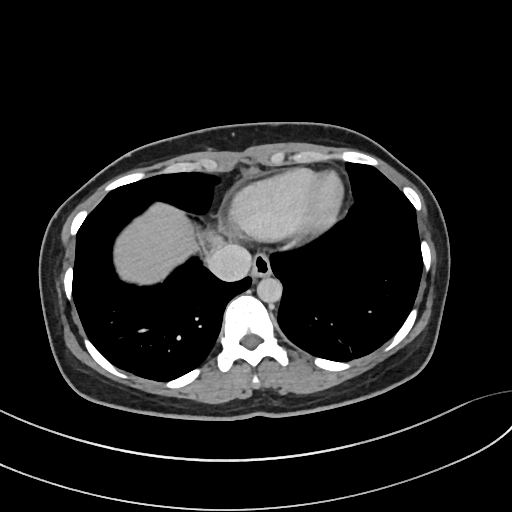

Abdominal CT — axial view — 512x512 px — scan has 15 labeled organs (a whole-scan count: organs this slice does not pass through have no box)
Bounding boxes in pixels, one row per box: x1, y1 is the top-left corner and x2, y2 the bottom-right.
| organ | x1 | y1 | x2 | y2 |
|---|---|---|---|---|
| inferior vena cava | 207 | 244 | 252 | 281 |
| esophagus | 251 | 253 | 271 | 277 |
| aorta | 257 | 276 | 282 | 303 |
| liver | 114 | 203 | 223 | 284 |